CT, abdomen/pelvis; axial view; 15 organs annotated in this scan (that count is for the whole scan; organs this slice misses have no box)
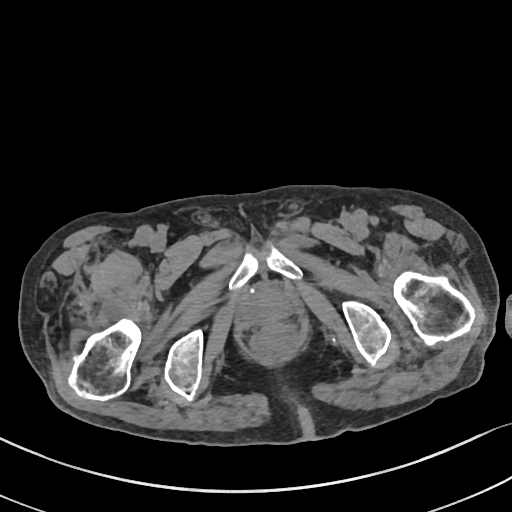
{"organs":{"prostate/uterus":[241,284,289,324]}}